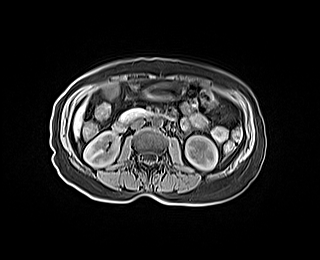

Abdominal MR — axial view — percentile-normalized — 320x260 px — acquired on Prisma
{"organs":{"right kidney":[83,131,119,167],"left kidney":[185,136,217,170],"gall bladder":[103,87,117,97],"liver":[73,100,87,138],"stomach":[145,83,184,98],"aorta":[151,117,162,127],"inferior vena cava":[130,119,144,128],"pancreas":[119,108,148,120],"duodenum":[111,112,172,133]}}